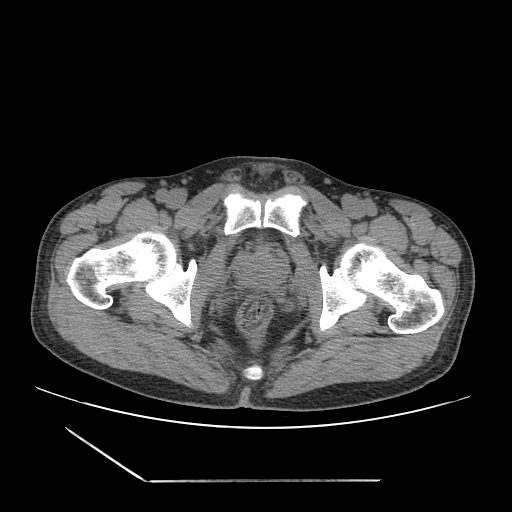

CT, abdomen/pelvis. axial view. 512x512 px
Boxes are (x1, y1, x2, y2) in pixels.
Organ bounding boxes:
- prostate/uterus: (237, 250, 284, 288)